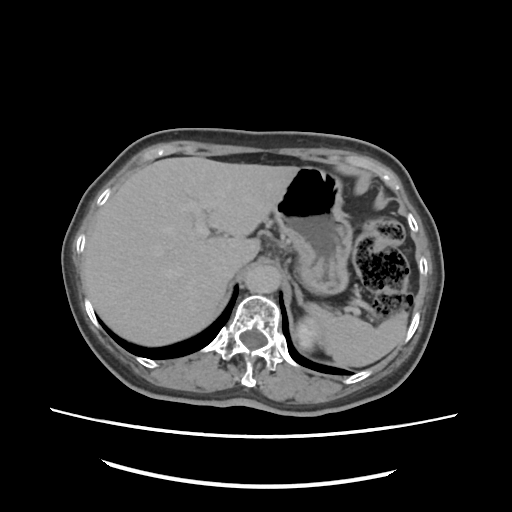
CT, abdomen/pelvis · axial plane, index 74 · abdomen soft-tissue window · 76-year-old female patient
Box edges are left/top/right/bottom in pixels.
Organ bounding boxes:
- inferior vena cava: left=225, top=256, right=250, bottom=279
- left adrenal gland: left=295, top=284, right=309, bottom=306
- liver: left=82, top=156, right=298, bottom=345
- aorta: left=245, top=267, right=279, bottom=293
- left kidney: left=297, top=316, right=317, bottom=348
- stomach: left=272, top=165, right=353, bottom=295
- spleen: left=308, top=303, right=407, bottom=366